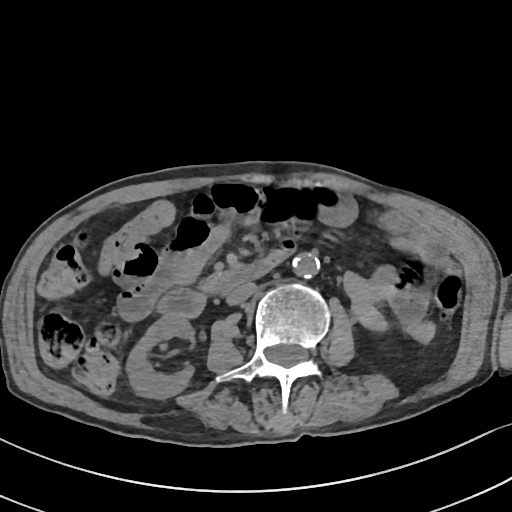
Abdominal CT. axial view. soft-tissue window (W 400 / L 40). 512x512 px
{"organs":{"right kidney":[126,316,194,399],"aorta":[293,254,320,279],"inferior vena cava":[225,282,255,305],"pancreas":[192,273,222,295],"duodenum":[156,247,297,318]}}